CT, abdomen/pelvis · Axial slice 65/83
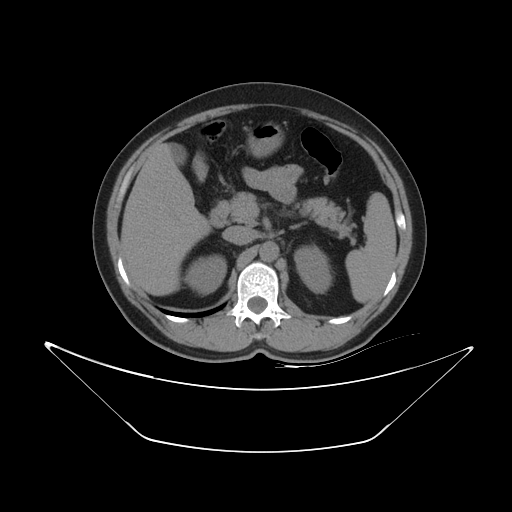
{"organs":{"spleen":[346,192,396,303],"right kidney":[184,254,226,294],"left kidney":[294,245,332,292],"gall bladder":[170,143,186,165],"liver":[121,143,211,296],"stomach":[247,122,283,157],"aorta":[259,241,278,261],"inferior vena cava":[223,226,254,244],"pancreas":[230,192,344,226],"left adrenal gland":[289,222,306,229],"duodenum":[210,201,229,227]}}